CT, abdomen/pelvis; axial view; soft-tissue window; 512x512 px; 15 organs annotated in this scan (that count is for the whole scan; organs this slice misses have no box)
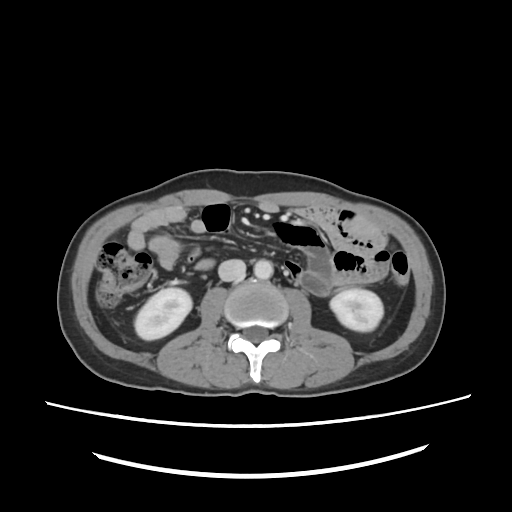 Boxes: x1:y1:x2:y2 in pixels. The annotated organs in this slice are: aorta at 253:259:273:279, inferior vena cava at 218:261:245:281, left kidney at 330:288:383:331, right kidney at 136:288:191:341.